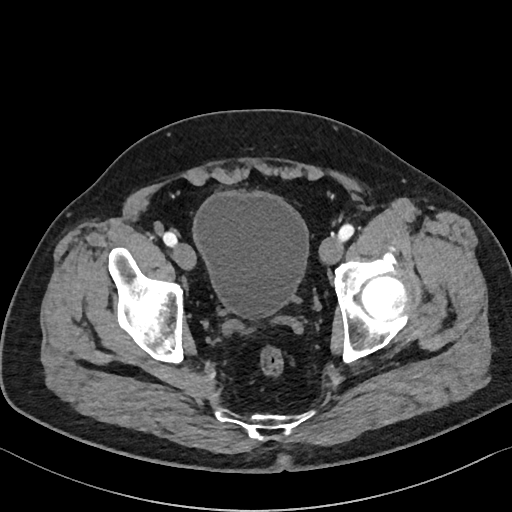 CT, abdomen/pelvis. axial view. 512x512 px. scan has 15 labeled organs (a whole-scan count: organs this slice does not pass through have no box)
<organs><organ name="bladder" x1="193" y1="191" x2="308" y2="318"/></organs>